CT of the abdomen reaching into the lower chest, slice just above the liver and spleen; Axial slice 217/245
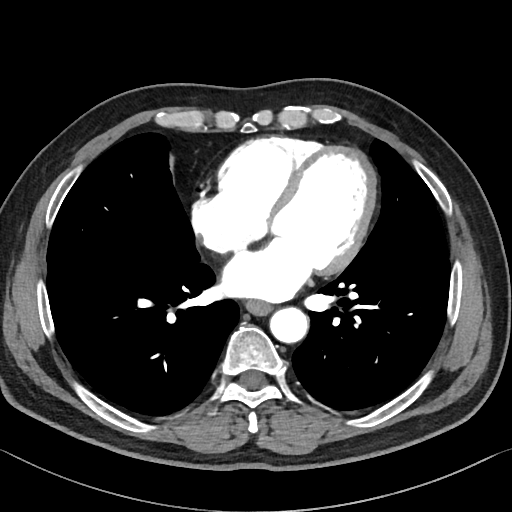
The heart and lungs are never labeled in this dataset, so they have no box on this slice.
<organs><organ name="aorta" x1="269" y1="307" x2="308" y2="343"/><organ name="esophagus" x1="245" y1="300" x2="272" y2="315"/></organs>